Chest-level slice from an abdominal CT that extends up into the chest · axial view · soft-tissue window · scan has 15 labeled organs (that count is for the whole scan; organs this slice misses have no box)
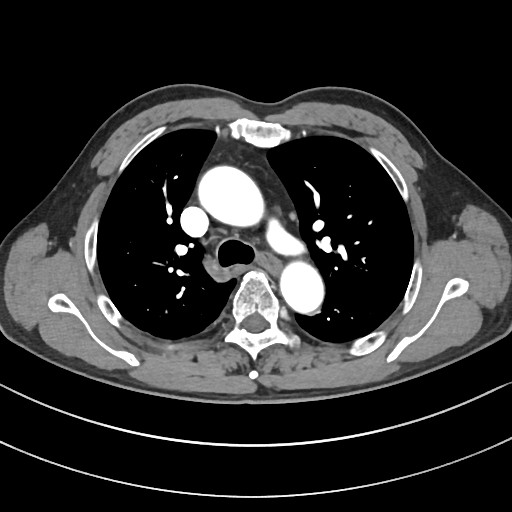

On a slice this high in the chest, this dataset labels only the esophagus and the aorta, and each is boxed only where it is labeled; the heart, lungs and other chest structures are not labeled.
<organs><organ name="esophagus" x1="259" y1="251" x2="276" y2="267"/><organ name="aorta" x1="199" y1="167" x2="266" y2="228"/><organ name="aorta" x1="279" y1="257" x2="323" y2="312"/></organs>